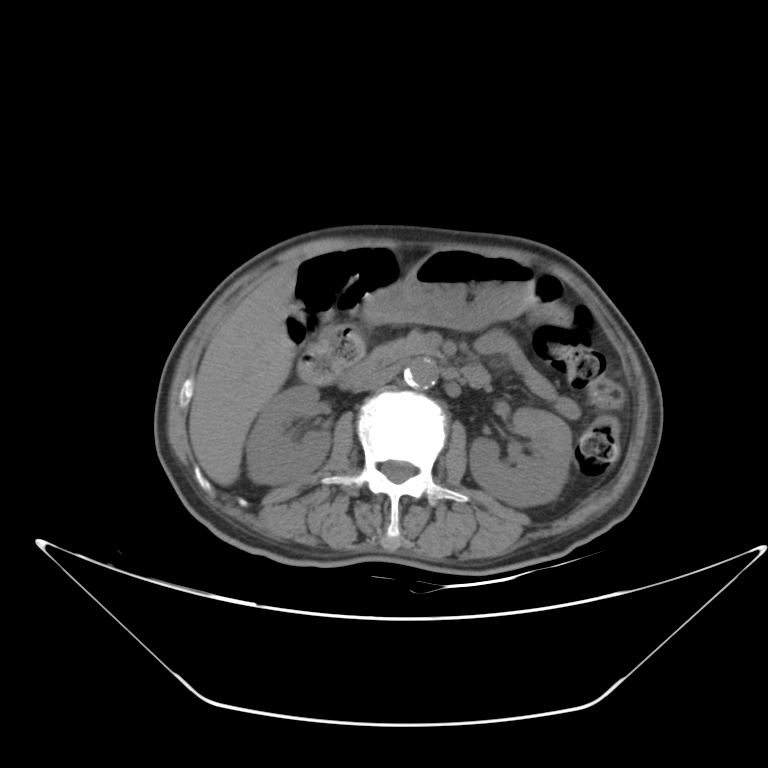
CT abdomen — axial view — scan has 15 labeled organs (counted over the whole 3D scan, not this slice; an organ is boxed only where this slice passes through it)
Coordinates as <box>x1,y1,x2,y2</box> in pixels.
Organ bounding boxes:
- right kidney: <box>245,385,331,482</box>
- left kidney: <box>470,408,572,505</box>
- liver: <box>189,267,295,486</box>
- stomach: <box>359,249,530,328</box>
- aorta: <box>404,357,438,389</box>
- inferior vena cava: <box>360,366,399,390</box>
- pancreas: <box>389,331,432,355</box>
- duodenum: <box>339,347,488,390</box>